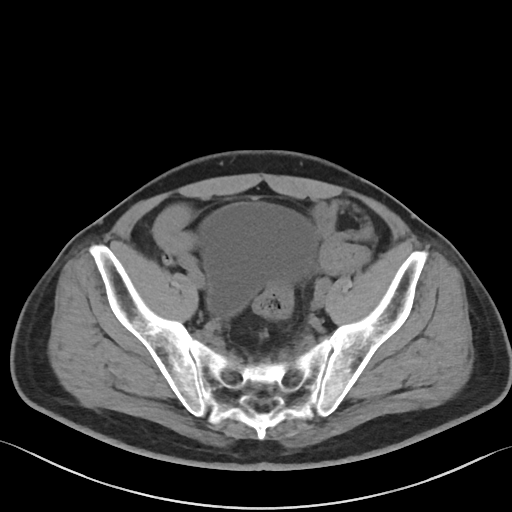

Abdominal CT; axial plane, index 28; 512x512 px
Bounding boxes as [x1, y1, x2, y2] in pixel coordinates.
bladder: [200, 202, 317, 316]